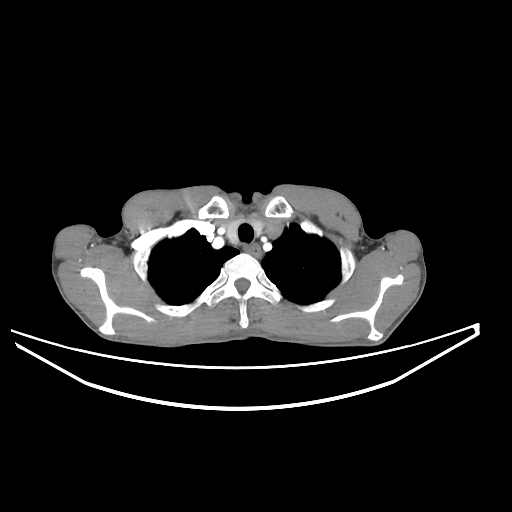
Chest-level CT slice, above the liver and spleen · axial view · soft-tissue window, W/L 400/40
At this level of the chest no structure but the esophagus and the aorta has a label in this dataset, and those two are boxed only where they are labeled.
Boxes: x1:y1:x2:y2 in pixels.
Organ bounding boxes:
- esophagus: 246:243:260:256